CT abdomen — axial view — 15 organs annotated in this scan (counted over the whole 3D scan, not this slice; an organ is boxed only where this slice passes through it)
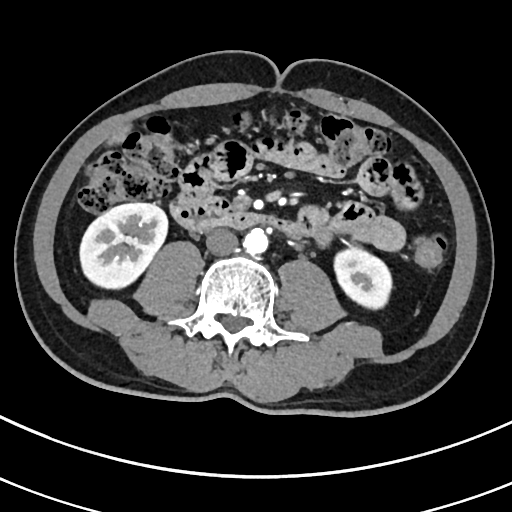

Bounding boxes as [x1, y1, x2, y2] in pixel coordinates. Labeled organs on this slice: liver at [109, 128, 127, 145], aorta at [243, 228, 268, 254], left kidney at [332, 247, 390, 308], duodenum at [171, 198, 301, 237], inferior vena cava at [206, 228, 238, 255], right kidney at [81, 202, 167, 288].